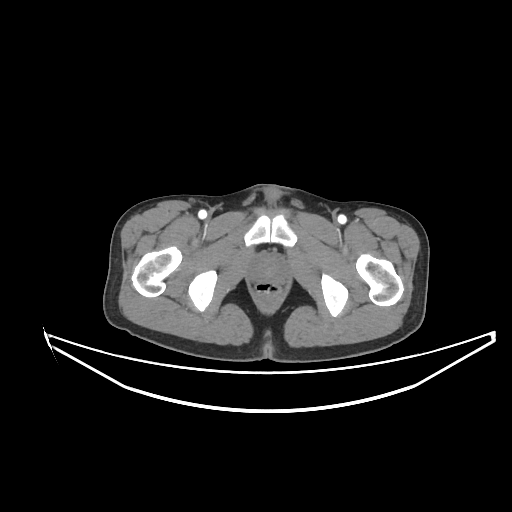 Abdominal CT — axial view — soft-tissue window (W 400 / L 40)
Boxes: x1:y1:x2:y2 in pixels.
prostate/uterus: 254:258:281:279